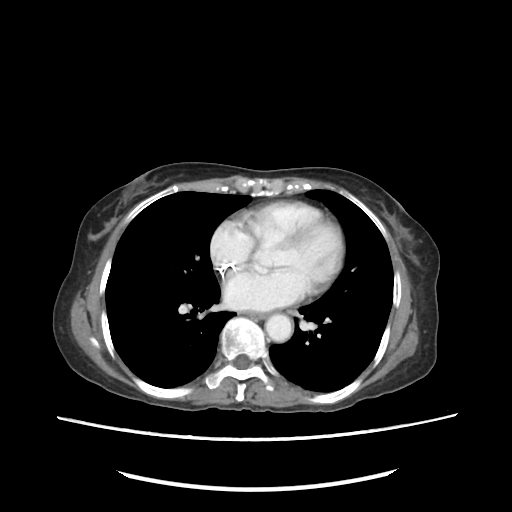

Lower-chest slice from an abdominal CT, just above the liver and spleen — axial view — 73-year-old female patient
Of the structures in the chest, this dataset labels only the esophagus, the aorta and the inferior vena cava; the heart and lungs have no label. Boxes: x1 y1 x2 y2 (pixel coords, space-separated). 2 labeled organs on this slice — aorta at 266 315 292 341; esophagus at 243 311 265 318.